Abdominal CT reaching into the chest; this slice is in the chest. axial plane, index 85. W/L 400/40 HU. 13 organs annotated in this scan (that count is for the whole scan; organs this slice misses have no box)
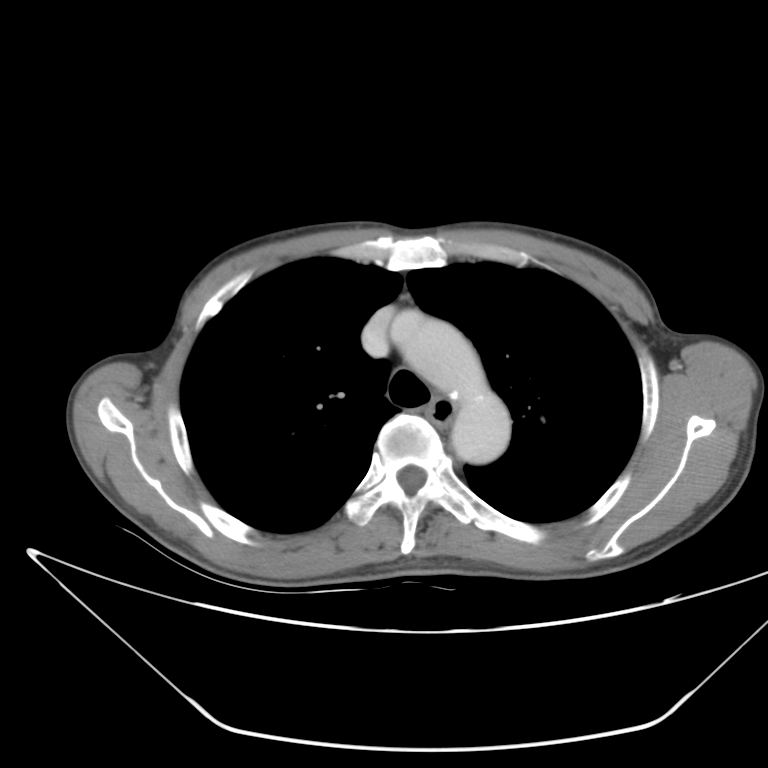 At this level of the chest no structure but the esophagus and the aorta has a label in this dataset, and those two are boxed only where they are labeled.
{"organs":{"esophagus":[426,389,458,428],"aorta":[390,311,509,464]}}